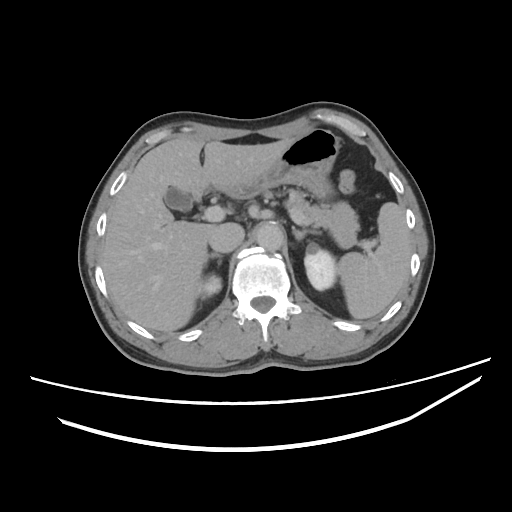
Abdominal CT. axial view. 512x512 px. 58-year-old male patient
Bounding boxes in pixels, one row per box: x1, y1 is the top-left corner and x2, y2 the bottom-right.
| organ | x1 | y1 | x2 | y2 |
|---|---|---|---|---|
| spleen | 336 | 202 | 410 | 320 |
| right kidney | 195 | 275 | 222 | 302 |
| left kidney | 305 | 244 | 335 | 290 |
| gall bladder | 163 | 186 | 194 | 210 |
| liver | 102 | 135 | 296 | 332 |
| stomach | 226 | 127 | 339 | 199 |
| aorta | 253 | 222 | 284 | 250 |
| inferior vena cava | 209 | 223 | 243 | 253 |
| pancreas | 289 | 190 | 359 | 249 |
| right adrenal gland | 202 | 252 | 222 | 268 |
| left adrenal gland | 292 | 225 | 318 | 240 |
| duodenum | 193 | 193 | 203 | 203 |